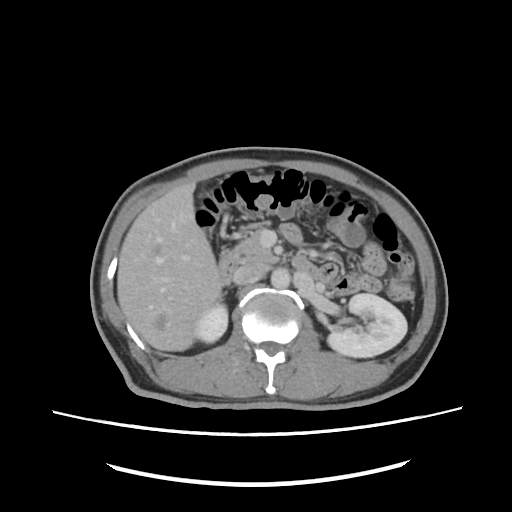

CT, abdomen/pelvis — axial view — 54-year-old male patient
Boxes are (x1, y1, x2, y2) in pixels.
right kidney: (194, 303, 227, 343)
left kidney: (327, 293, 407, 357)
liver: (117, 182, 222, 351)
aorta: (271, 268, 290, 288)
inferior vena cava: (233, 262, 268, 284)
pancreas: (235, 230, 277, 263)
duodenum: (218, 249, 322, 284)